Chest-level slice from an abdominal CT that extends up into the chest · axial view · 512x512 px
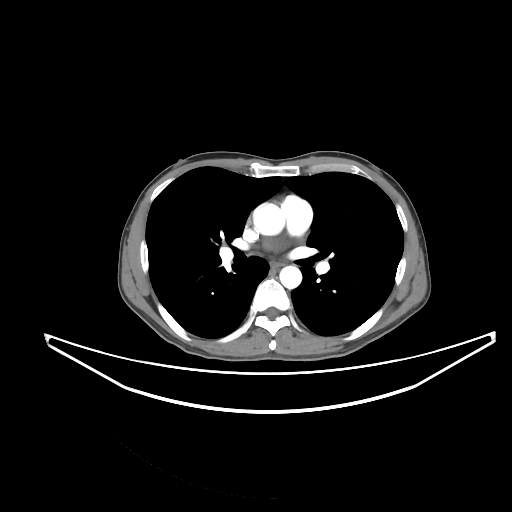
On a slice this high in the chest, this dataset labels only the esophagus and the aorta, and each is boxed only where it is labeled; the heart, lungs and other chest structures are not labeled. Each box given as x1,y1,x2,y2. 2 labeled organs on this slice — esophagus at x1=270, y1=262, x2=285, y2=268; aorta at x1=253, y1=203, x2=285, y2=235; aorta at x1=279, y1=266, x2=301, y2=288.